Abdominal CT — Axial slice 64/242 — W/L 400/40 HU — 512x512 px — 15 organs annotated in this scan (a whole-scan count: organs this slice does not pass through have no box)
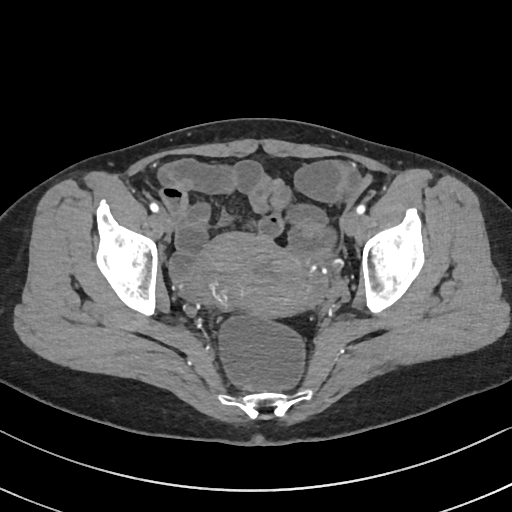

Bounding boxes as [x1, y1, x2, y2] in pixel coordinates.
prostate/uterus: [186, 233, 304, 316]